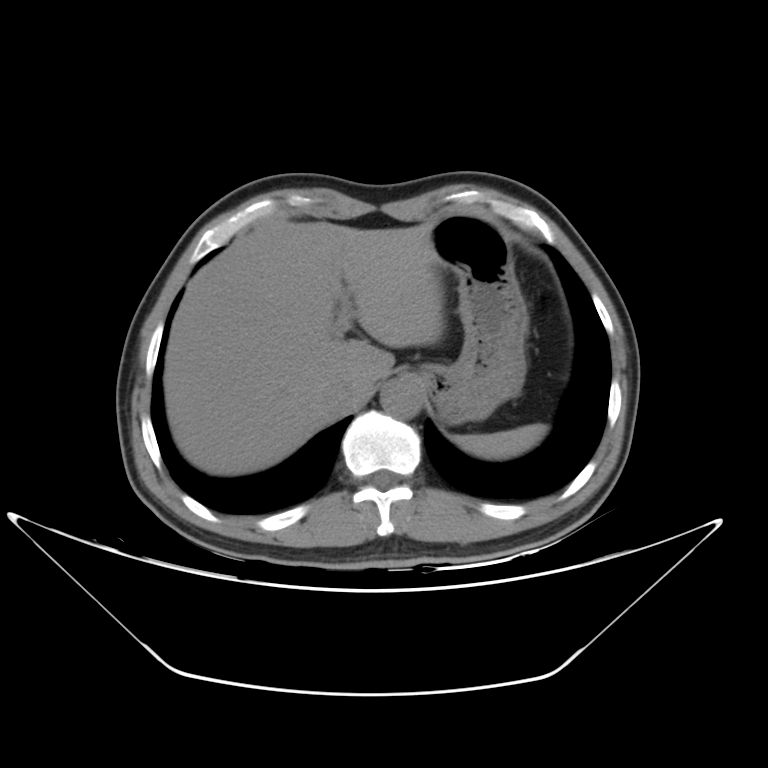 CT abdomen; axial view; W/L 400/40 HU; 768x768 px; 53-year-old male patient
Box edges are left/top/right/bottom in pixels.
spleen: left=457, top=424, right=547, bottom=457
liver: left=164, top=218, right=446, bottom=475
stomach: left=415, top=204, right=528, bottom=421
aorta: left=381, top=377, right=422, bottom=418
inferior vena cava: left=324, top=381, right=355, bottom=411